CT, abdomen/pelvis · axial view · soft-tissue window (W 400 / L 40) · 56-year-old male patient
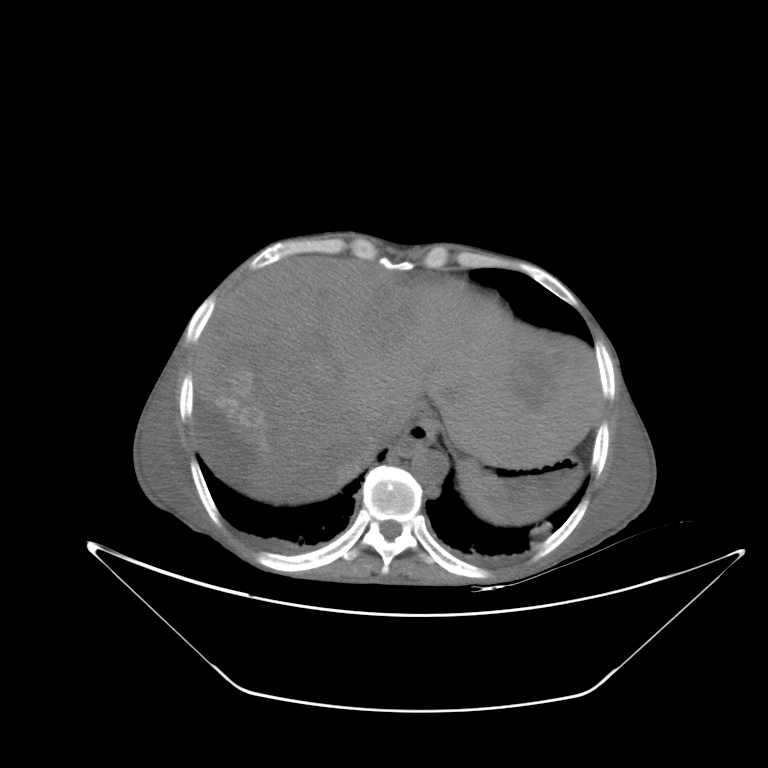

Boxes: x1 y1 x2 y2 (pixel coords, space-separated). 6 labeled organs on this slice — spleen at 461 479 508 523; esophagus at 391 419 436 456; liver at 194 257 602 504; stomach at 459 457 581 519; aorta at 411 448 447 482; inferior vena cava at 377 411 414 438.